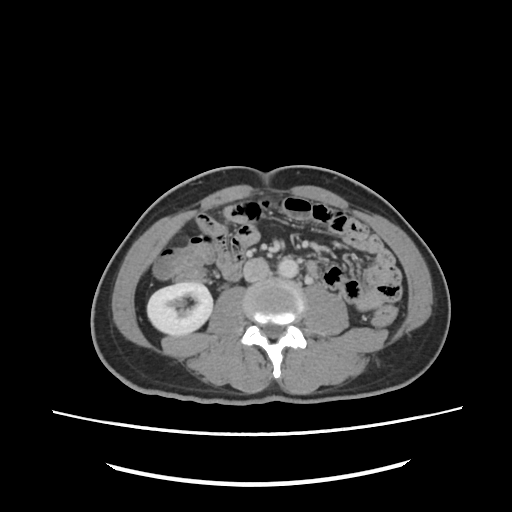 CT abdomen — Axial slice 51/123 — soft-tissue window (W 400 / L 40)
Box edges are left/top/right/bottom in pixels.
aorta: left=278, top=257, right=298, bottom=277
inferior vena cava: left=243, top=258, right=270, bottom=282
right kidney: left=147, top=282, right=212, bottom=335